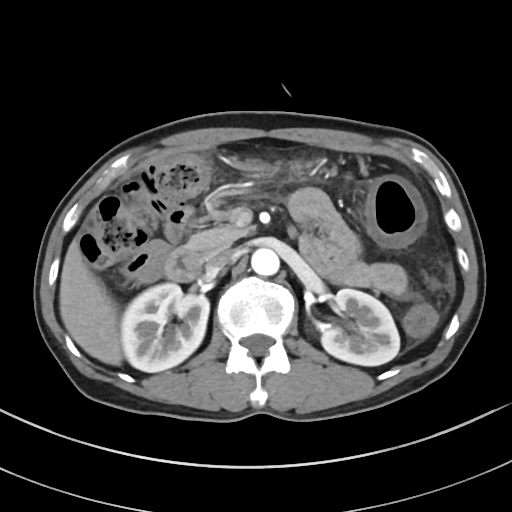 Computed tomography, abdomen. axial view. 512x512 px
Each box given as x1,y1,x2,y2. 7 labeled organs on this slice — inferior vena cava at x1=206, y1=250, x2=233, y2=273; left kidney at x1=317, y1=288, x2=399, y2=365; aorta at x1=251, y1=248, x2=279, y2=275; right kidney at x1=121, y1=283, x2=209, y2=372; liver at x1=59, y1=239, x2=121, y2=365; pancreas at x1=183, y1=224, x2=251, y2=259; duodenum at x1=164, y1=248, x2=201, y2=281.